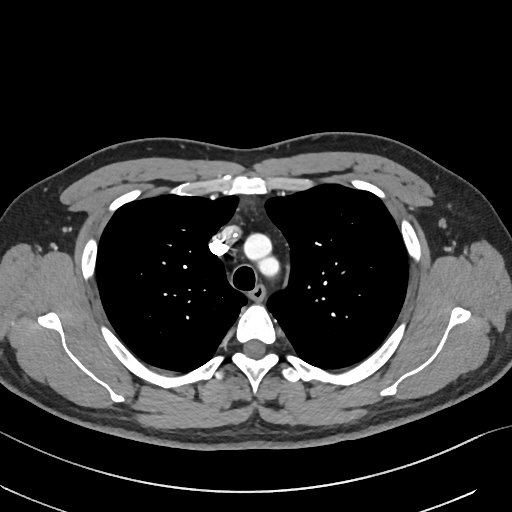

CT of the abdomen extending into the chest, slice through the chest — axial view
On a slice this high in the chest, this dataset labels only the esophagus and the aorta, and each is boxed only where it is labeled; the heart, lungs and other chest structures are not labeled.
<organs><organ name="esophagus" x1="249" y1="285" x2="265" y2="300"/><organ name="aorta" x1="244" y1="234" x2="278" y2="276"/></organs>